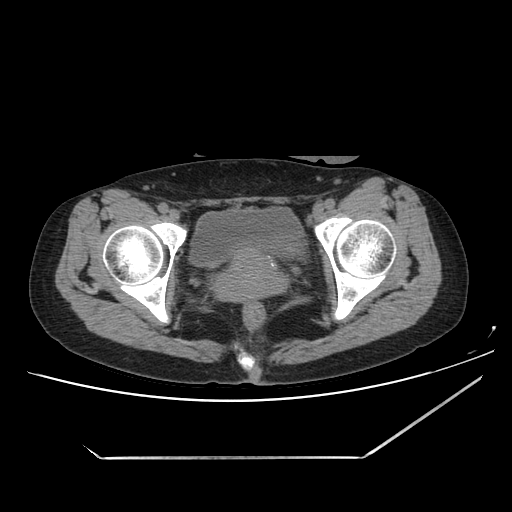 Abdominal CT; axial view; SOMATOM Force scanner; scan has 14 labeled organs (that count is for the whole scan; organs this slice misses have no box)
Bounding boxes in pixels, one row per box: x1, y1 is the top-left corner and x2, y2 the bottom-right.
| organ | x1 | y1 | x2 | y2 |
|---|---|---|---|---|
| bladder | 189 | 207 | 305 | 265 |
| prostate/uterus | 214 | 247 | 286 | 301 |